CT, abdomen/pelvis; Axial slice 81/82; 55-year-old male patient
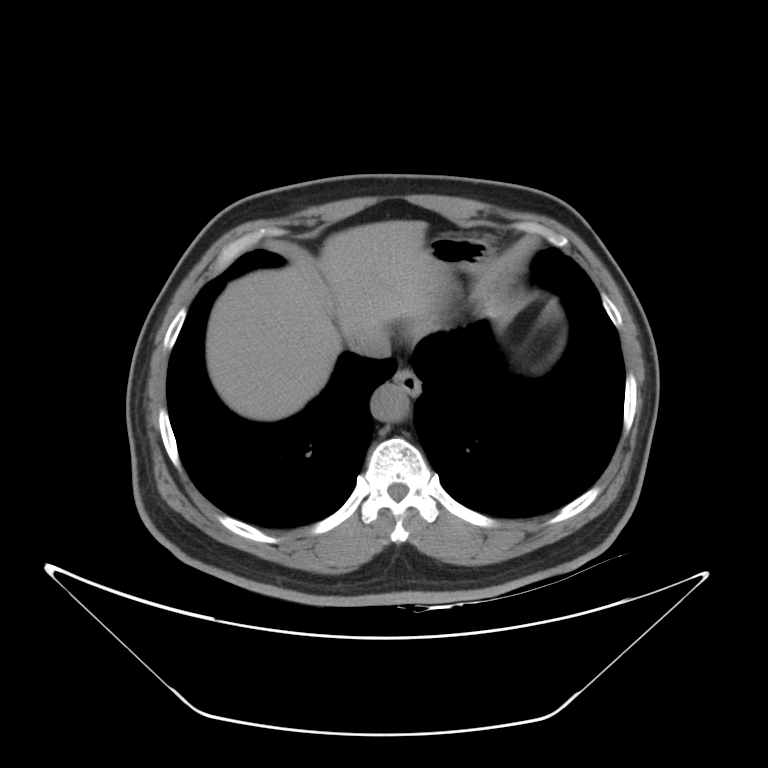 Organ boxes in pixel coordinates; each row gives the top-left (x1, y1) and bottom-right (x2, y2) corners.
| organ | x1 | y1 | x2 | y2 |
|---|---|---|---|---|
| liver | 206 | 221 | 448 | 420 |
| stomach | 426 | 236 | 496 | 273 |
| aorta | 370 | 383 | 409 | 422 |
| esophagus | 393 | 369 | 420 | 395 |
| inferior vena cava | 352 | 334 | 390 | 357 |